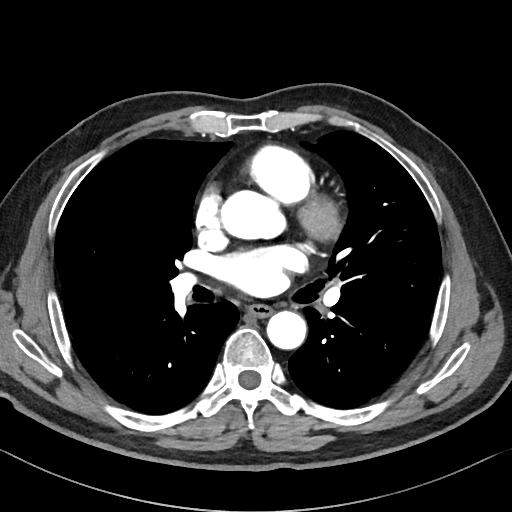
Abdominal CT; this slice is in the lower chest, just above the liver; axial view; soft-tissue window; acquired on SOMATOM Force
No part of the heart or lungs is labeled in this dataset, so neither has a box here. Bounding boxes as [x1, y1, x2, y2] in pixel coordinates. Labeled organs on this slice: aorta at [221, 190, 283, 239], aorta at [267, 311, 306, 349], esophagus at [248, 304, 272, 317].